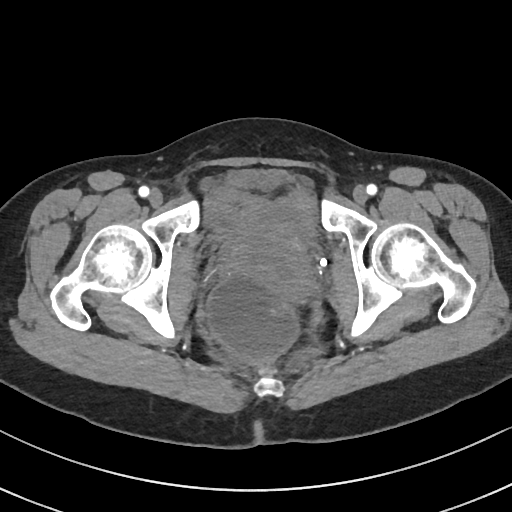
CT, abdomen/pelvis. axial view. acquired on SOMATOM Force. scan has 15 labeled organs (counted over the whole 3D scan, not this slice; an organ is boxed only where this slice passes through it)
Bounding boxes as [x1, y1, x2, y2] in pixel coordinates.
bladder: [207, 204, 317, 245]
prostate/uterus: [226, 238, 318, 298]